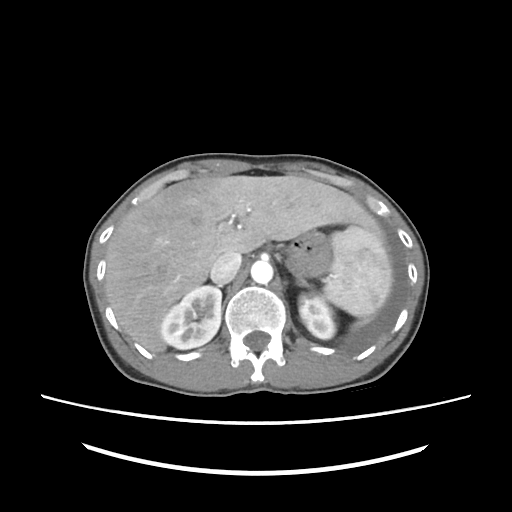

CT, abdomen/pelvis; axial view; W/L 400/40 HU; Aquilion ONE scanner
Bounding boxes in pixels, one row per box: x1, y1 is the top-left corner and x2, y2 the bottom-right.
| organ | x1 | y1 | x2 | y2 |
|---|---|---|---|---|
| stomach | 289 | 230 | 330 | 276 |
| liver | 104 | 175 | 378 | 352 |
| right kidney | 161 | 285 | 221 | 349 |
| left adrenal gland | 295 | 273 | 307 | 285 |
| spleen | 324 | 225 | 392 | 317 |
| inferior vena cava | 210 | 251 | 241 | 284 |
| aorta | 250 | 261 | 273 | 284 |
| left kidney | 299 | 293 | 335 | 339 |